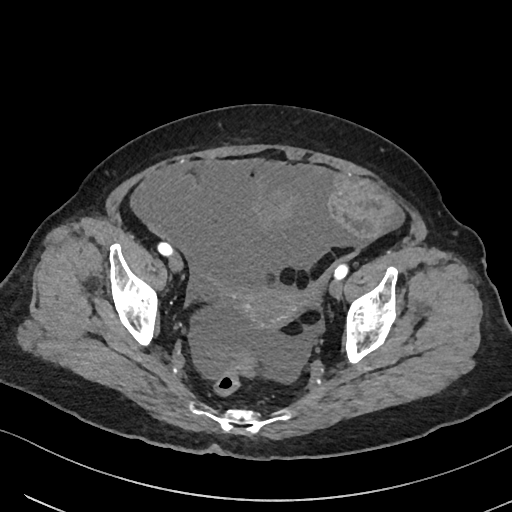 CT abdomen; Axial slice 56/297
<organs><organ name="prostate/uterus" x1="229" y1="287" x2="300" y2="328"/></organs>